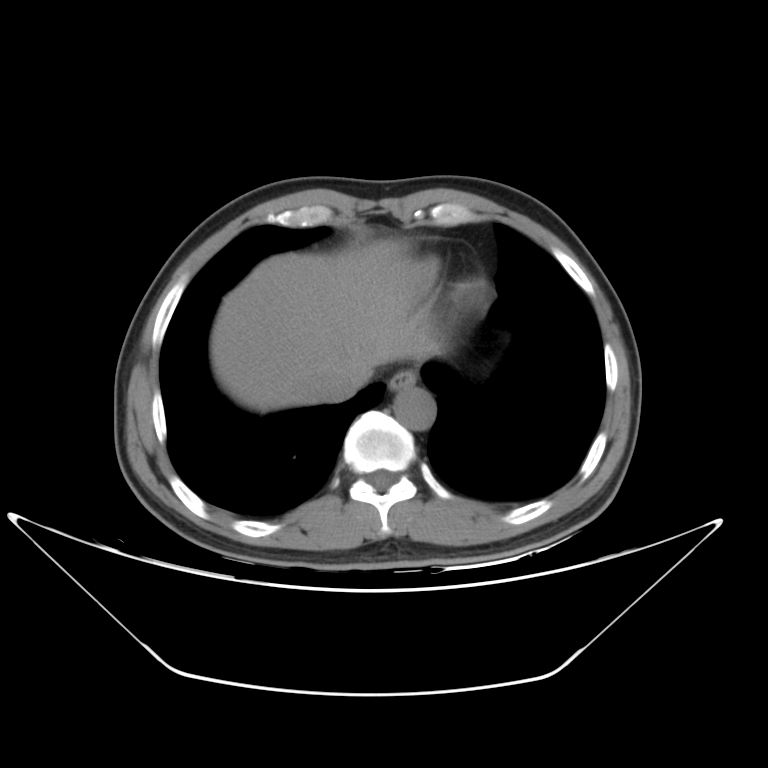

CT, abdomen/pelvis · axial view · soft-tissue window (W 400 / L 40) · 53-year-old male patient · Brilliance16 scanner
Boxes: x1:y1:x2:y2 in pixels.
esophagus: 388:370:415:392
inferior vena cava: 321:378:356:403
aorta: 393:383:435:431
liver: 210:239:434:407